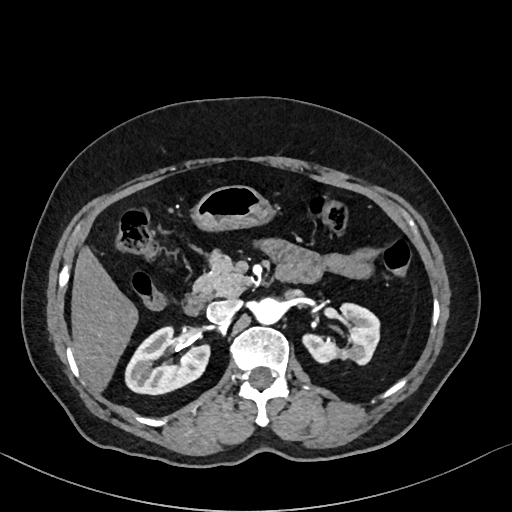

CT, abdomen/pelvis — axial view — soft-tissue window
Bounding boxes as [x1, y1, x2, y2] in pixel coordinates. The annotated organs in this slice are: right kidney at [124, 325, 208, 394], left kidney at [303, 302, 381, 364], liver at [72, 249, 137, 390], stomach at [195, 186, 271, 229], aorta at [256, 296, 285, 323], inferior vena cava at [207, 299, 239, 322], pancreas at [194, 257, 253, 296], duodenum at [184, 293, 209, 315].